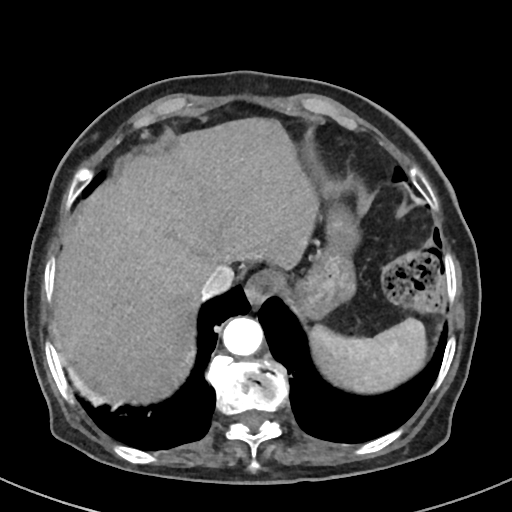
Abdominal CT — axial view
{"organs":{"spleen":[310,318,427,393],"esophagus":[244,270,283,306],"liver":[51,117,317,403],"stomach":[293,206,361,319],"aorta":[223,317,263,355],"inferior vena cava":[201,264,234,298]}}